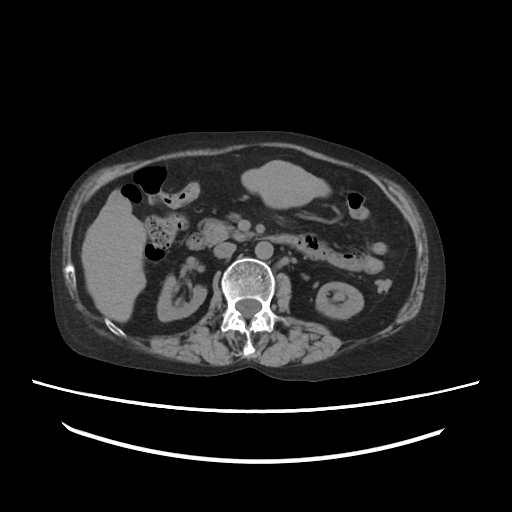 CT abdomen — Axial slice 56/89 — abdomen soft-tissue window — 512x512 px
Boxes: x1:y1:x2:y2 in pixels. Labeled organs on this slice: right kidney at 157:274:206:321, left kidney at 316:282:363:318, liver at 81:160:331:322, aorta at 255:241:273:259, inferior vena cava at 213:242:235:257, pancreas at 200:218:248:243, duodenum at 186:233:330:259.